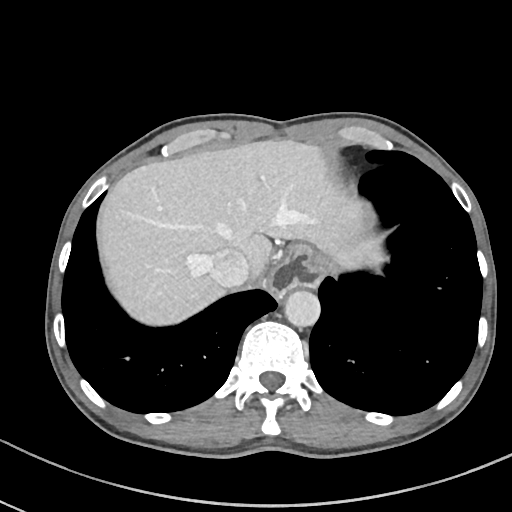 CT abdomen; axial view
Bounding boxes as [x1, y1, x2, y2] in pixel coordinates. 4 labeled organs on this slice — liver at [103, 140, 384, 326]; stomach at [270, 247, 323, 294]; aorta at [284, 291, 320, 327]; inferior vena cava at [208, 247, 250, 286].